CT abdomen; axial view; soft-tissue window; 512x512 px; acquired on SOMATOM Force
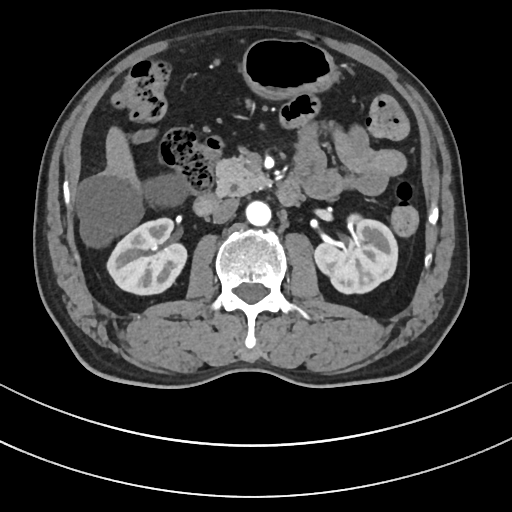 One row per box, in pixels: columns x1 and y1 give the top-left corner, x2 and y2 the bottom-right.
| organ | x1 | y1 | x2 | y2 |
|---|---|---|---|---|
| inferior vena cava | 212 | 197 | 238 | 223 |
| duodenum | 193 | 179 | 301 | 214 |
| left kidney | 314 | 214 | 398 | 293 |
| pancreas | 216 | 157 | 269 | 194 |
| liver | 76 | 128 | 186 | 245 |
| stomach | 242 | 38 | 335 | 97 |
| aorta | 245 | 200 | 270 | 224 |
| right kidney | 107 | 217 | 187 | 293 |